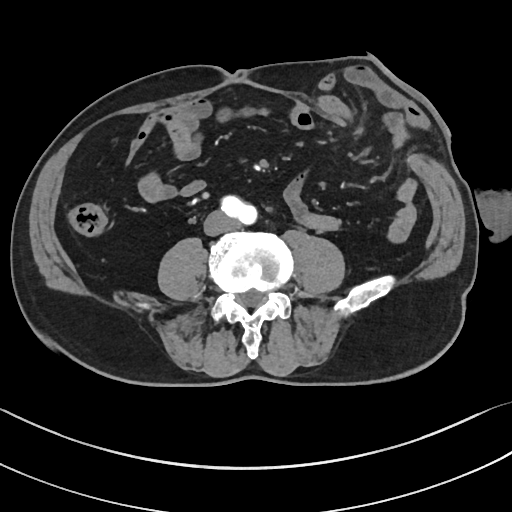
Abdominal CT. Axial slice 102/306. scan has 15 labeled organs (counted over the whole 3D scan, not this slice; an organ is boxed only where this slice passes through it)
Boxes: x1 y1 x2 y2 (pixel coords, space-separated). The annotated organs in this slice are: inferior vena cava at 204 211 236 235, aorta at 221 196 257 224.